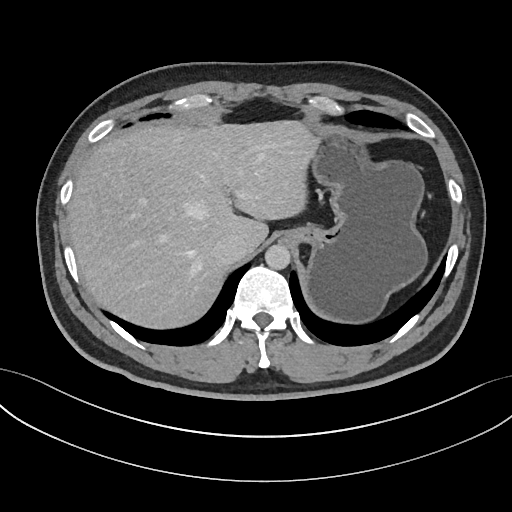 Computed tomography, abdomen · Axial slice 218/345 · acquired on SOMATOM Force
Each box given as x1,y1,x2,y2. 4 labeled organs on this slice — liver at x1=68, y1=121, x2=320, y2=328; stomach at x1=282, y1=133, x2=426, y2=320; aorta at x1=265, y1=244, x2=290, y2=269; inferior vena cava at x1=213, y1=233, x2=245, y2=262.